CT, abdomen/pelvis — axial view
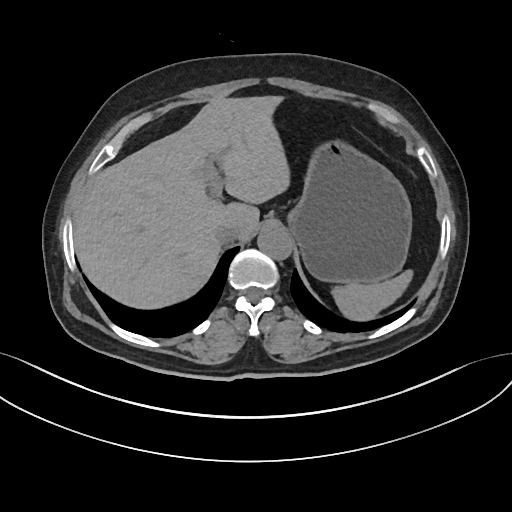 Box edges are left/top/right/bottom in pixels.
Organ bounding boxes:
- spleen: left=331, top=270, right=413, bottom=320
- liver: left=74, top=96, right=289, bottom=308
- stomach: left=287, top=139, right=411, bottom=283
- aorta: left=257, top=226, right=292, bottom=260
- inferior vena cava: left=215, top=223, right=240, bottom=243